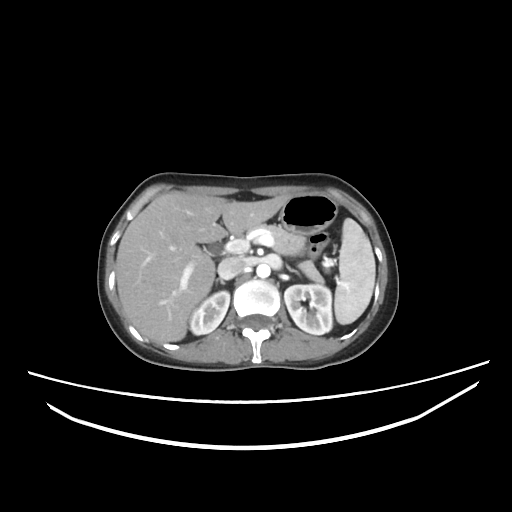
CT, abdomen/pelvis · axial view · W/L 400/40 HU
Bounding boxes in pixels, one row per box: x1, y1 is the top-left corner and x2, y2 the bottom-right.
| organ | x1 | y1 | x2 | y2 |
|---|---|---|---|---|
| stomach | 279 | 194 | 337 | 235 |
| aorta | 256 | 263 | 270 | 278 |
| right kidney | 189 | 291 | 229 | 334 |
| liver | 116 | 191 | 290 | 342 |
| pancreas | 258 | 224 | 323 | 282 |
| spleen | 334 | 218 | 375 | 324 |
| right adrenal gland | 215 | 279 | 224 | 283 |
| left kidney | 284 | 284 | 332 | 334 |
| left adrenal gland | 286 | 264 | 300 | 274 |
| inferior vena cava | 217 | 257 | 245 | 279 |